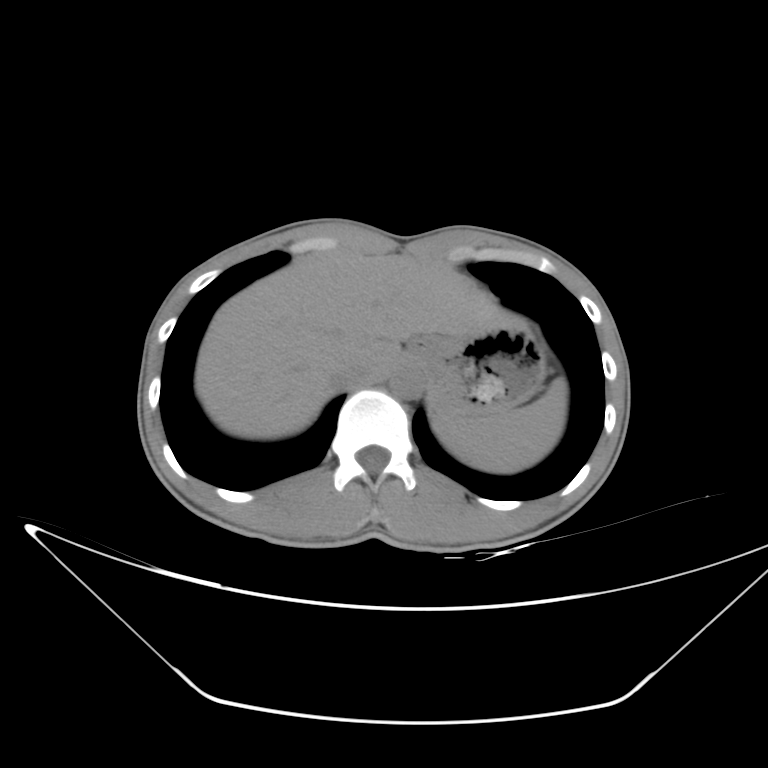 CT, abdomen/pelvis. axial view. soft-tissue window (W 400 / L 40). 39-year-old male patient
Bounding boxes in pixels, one row per box: x1, y1 is the top-left corner and x2, y2 the bottom-right.
| organ | x1 | y1 | x2 | y2 |
|---|---|---|---|---|
| inferior vena cava | 334 | 367 | 377 | 386 |
| aorta | 390 | 366 | 423 | 399 |
| spleen | 435 | 378 | 566 | 472 |
| stomach | 405 | 321 | 546 | 415 |
| liver | 195 | 251 | 518 | 439 |